CT abdomen. Axial slice 141/219. 512x512 px. acquired on SOMATOM Force
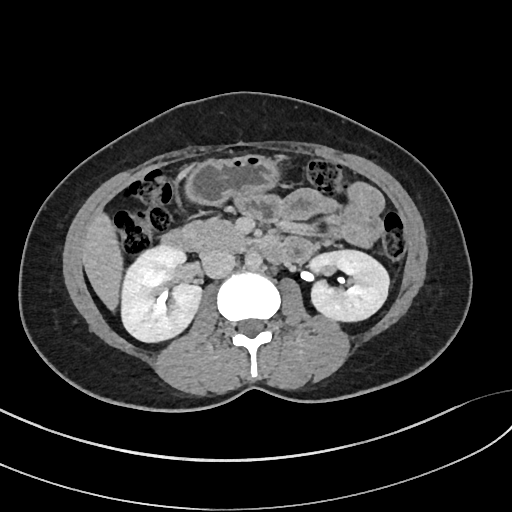 Boxes are (x1, y1, x2, y2) in pixels.
Organ bounding boxes:
- right kidney: (121, 246, 201, 342)
- left kidney: (309, 250, 389, 321)
- liver: (82, 212, 122, 310)
- stomach: (185, 155, 279, 204)
- aorta: (245, 251, 262, 270)
- inferior vena cava: (201, 249, 235, 278)
- pancreas: (184, 219, 247, 250)
- duodenum: (161, 229, 286, 263)